CT abdomen. axial view. SOMATOM Force scanner
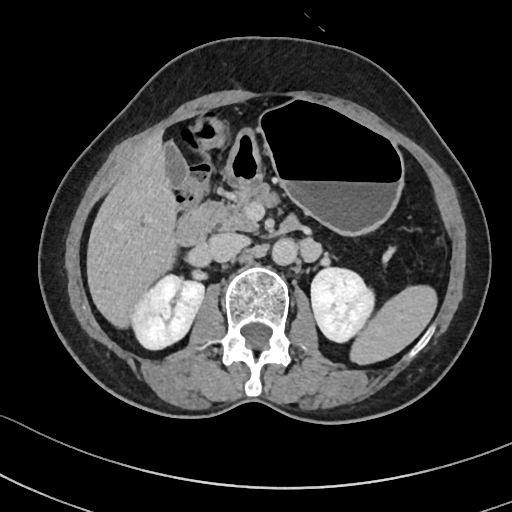
{"organs":{"liver":[86,137,180,326],"duodenum":[176,205,210,245],"inferior vena cava":[205,232,248,261],"stomach":[225,99,404,236],"right kidney":[132,276,203,350],"left kidney":[311,266,373,344],"spleen":[347,283,438,365],"gall bladder":[165,142,187,189],"aorta":[271,239,296,265],"pancreas":[195,181,282,231]}}